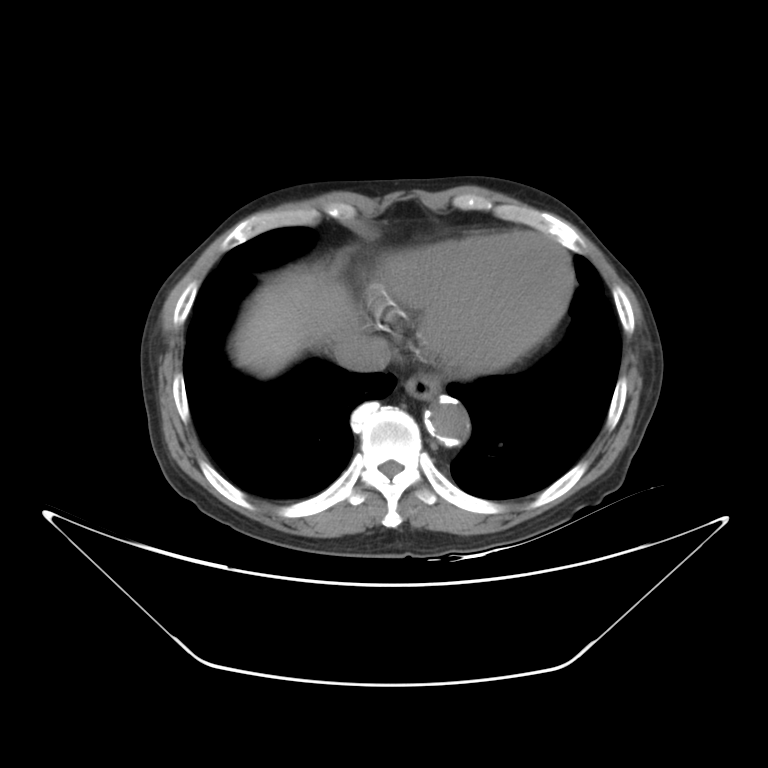

Computed tomography, abdomen · axial plane, index 88 · scan has 14 labeled organs (a whole-scan count: organs this slice does not pass through have no box)
<organs><organ name="esophagus" x1="404" y1="373" x2="440" y2="399"/><organ name="liver" x1="233" y1="270" x2="363" y2="376"/><organ name="aorta" x1="425" y1="398" x2="470" y2="445"/><organ name="inferior vena cava" x1="334" y1="334" x2="391" y2="371"/></organs>